CT of the abdomen extending into the chest, slice through the chest · axial plane, index 85 · soft-tissue window, W/L 400/40
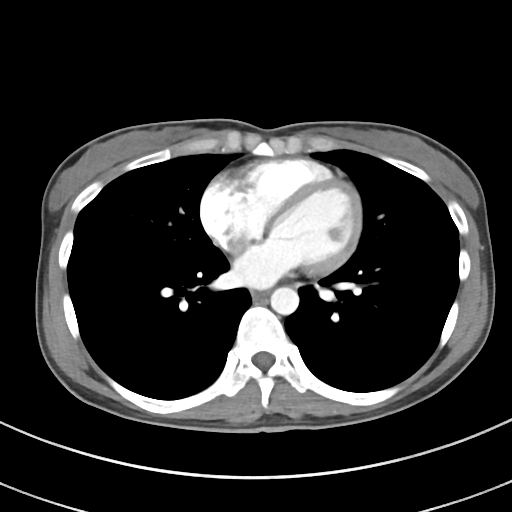 At this level of the chest this dataset labels only the esophagus and the aorta, and each is boxed only where it is labeled; the heart and lungs are never labeled. Bounding boxes as [x1, y1, x2, y2] in pixel coordinates. 2 labeled organs on this slice — esophagus at [251, 291, 266, 300]; aorta at [270, 287, 298, 315].